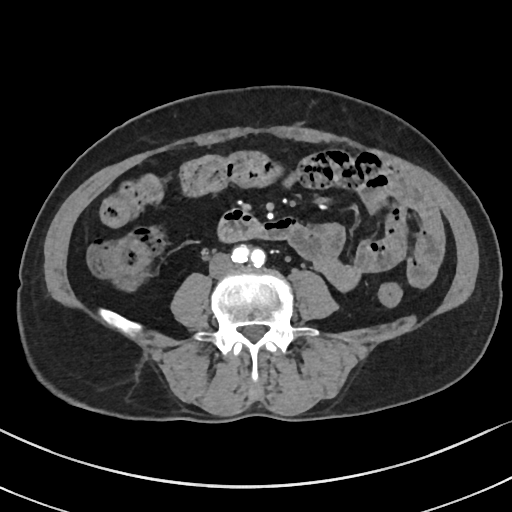
Abdominal CT; axial view; W/L 400/40 HU; SOMATOM Force scanner
Each box given as x1,y1,x2,y2.
aorta: x1=232, y1=244, x2=264, y2=266
duodenum: x1=216, y1=208, x2=264, y2=243
inferior vena cava: x1=209, y1=253, x2=235, y2=276